Computed tomography, abdomen; Axial slice 178/333; 15 organs annotated in this scan (that count is for the whole scan; organs this slice misses have no box)
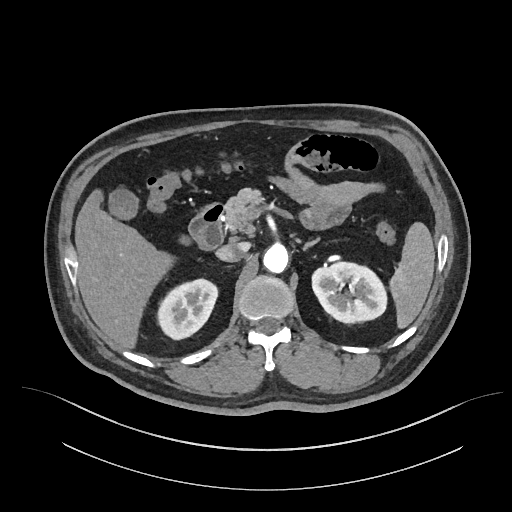

Organ boxes in pixel coordinates; each row gives the top-left (x1, y1) and bottom-right (x2, y2) corners.
| organ | x1 | y1 | x2 | y2 |
|---|---|---|---|---|
| spleen | 391 | 222 | 434 | 327 |
| right kidney | 159 | 278 | 217 | 340 |
| left kidney | 312 | 263 | 387 | 322 |
| gall bladder | 109 | 190 | 136 | 218 |
| liver | 74 | 192 | 171 | 347 |
| aorta | 263 | 244 | 288 | 272 |
| inferior vena cava | 216 | 242 | 249 | 261 |
| pancreas | 223 | 188 | 259 | 234 |
| left adrenal gland | 303 | 239 | 318 | 248 |
| duodenum | 189 | 205 | 223 | 249 |